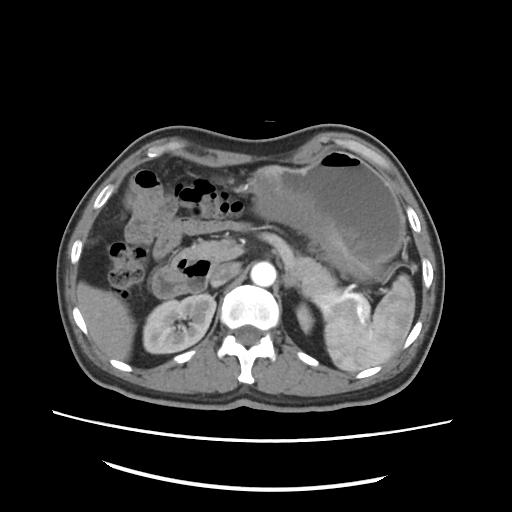
Abdominal CT — axial view
{"organs":{"spleen":[325,273,414,373],"right kidney":[142,295,216,352],"left kidney":[295,305,315,334],"liver":[76,282,135,360],"stomach":[251,149,405,281],"aorta":[251,261,276,287],"inferior vena cava":[209,260,240,287],"pancreas":[172,241,338,296],"left adrenal gland":[282,273,298,287],"duodenum":[151,256,211,299]}}